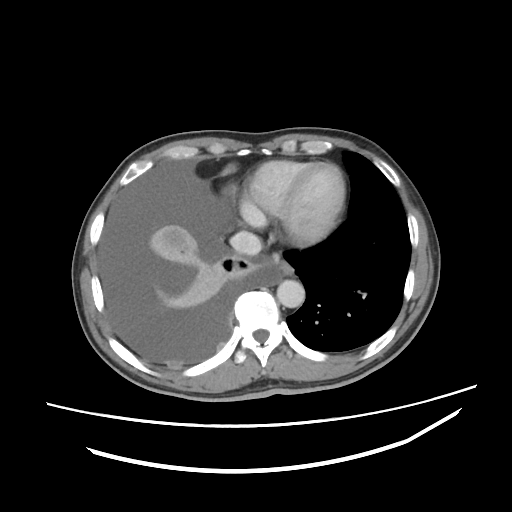 Lower-chest slice from an abdominal CT, just above the liver and spleen · axial view · 512x512 px · 49-year-old male patient
The heart and lungs are never labeled in this dataset, so they have no box on this slice.
<organs><organ name="esophagus" x1="271" y1="253" x2="293" y2="275"/><organ name="aorta" x1="276" y1="280" x2="304" y2="307"/><organ name="inferior vena cava" x1="229" y1="231" x2="262" y2="255"/></organs>